CT abdomen · Axial slice 130/297 · abdomen soft-tissue window · scan has 15 labeled organs (a whole-scan count: organs this slice does not pass through have no box)
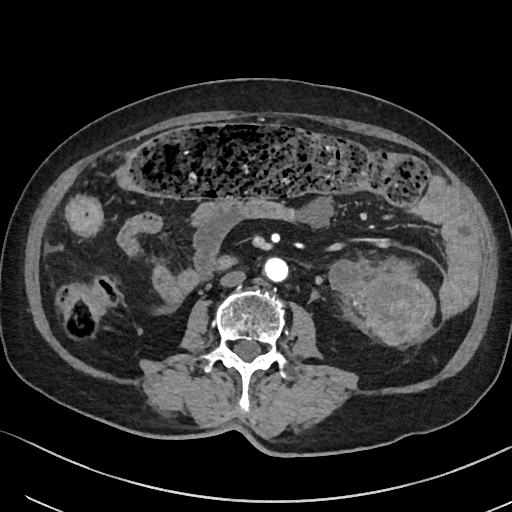
Coordinates as <box>x1,y1,x2,y2</box> in pixels.
aorta: <box>263,256,287,280</box>
inferior vena cava: <box>220,270,246,286</box>
duodenum: <box>216,255,234,268</box>